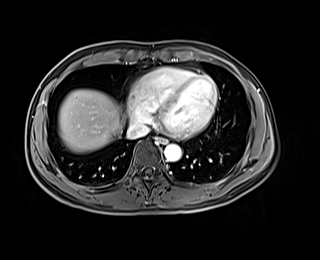

Abdominal MRI · axial view · 320x260 px
<organs><organ name="esophagus" x1="156" y1="137" x2="167" y2="143"/><organ name="liver" x1="58" y1="89" x2="125" y2="153"/><organ name="aorta" x1="164" y1="143" x2="181" y2="161"/><organ name="inferior vena cava" x1="126" y1="124" x2="149" y2="139"/></organs>